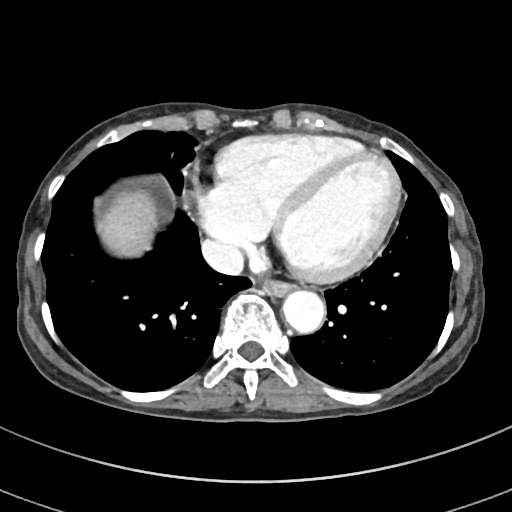

Abdominal CT; Axial slice 179/198; abdomen soft-tissue window; 14 organs annotated in this scan (a whole-scan count: organs this slice does not pass through have no box)
{"organs":{"inferior vena cava":[201,239,244,275],"esophagus":[260,279,294,297],"liver":[101,191,156,255],"aorta":[282,291,325,334]}}